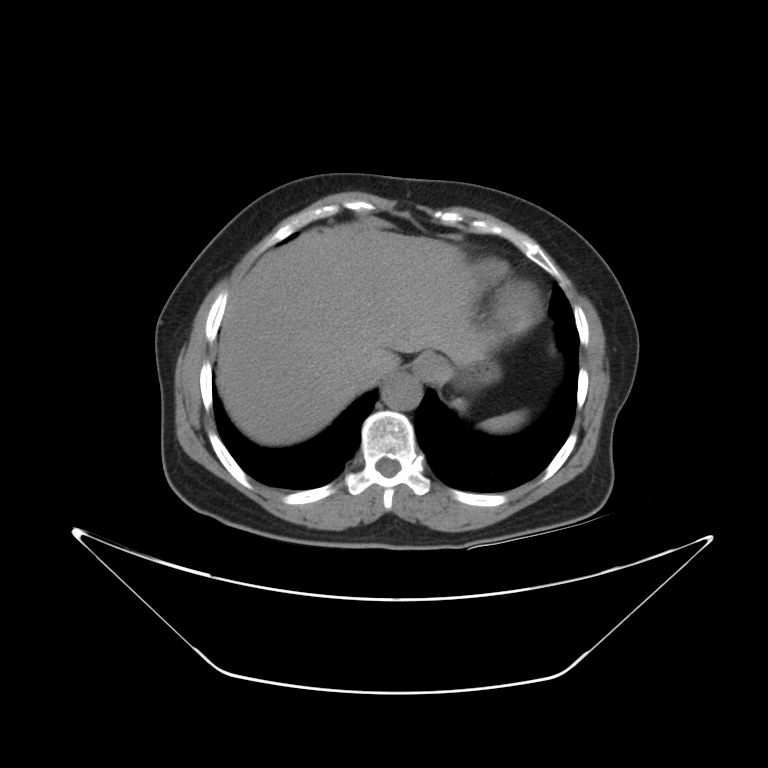

Computed tomography, abdomen — axial view — soft-tissue window — 768x768 px
<organs><organ name="liver" x1="216" y1="232" x2="489" y2="445"/><organ name="inferior vena cava" x1="356" y1="371" x2="379" y2="391"/><organ name="spleen" x1="481" y1="412" x2="524" y2="431"/><organ name="aorta" x1="379" y1="374" x2="421" y2="412"/><organ name="stomach" x1="416" y1="351" x2="498" y2="390"/></organs>